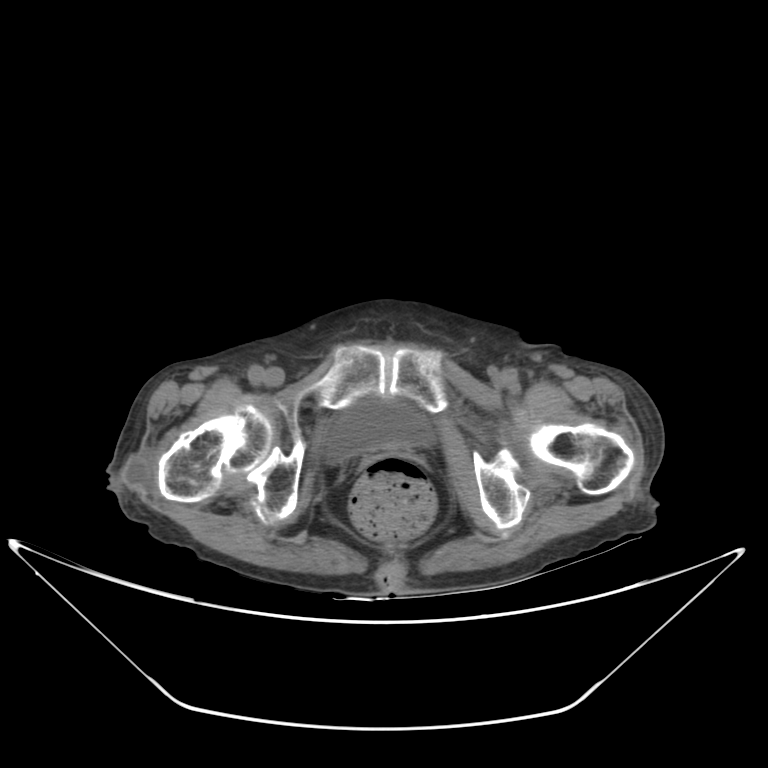

CT abdomen; axial view; 768x768 px; female patient aged 90 or older; scan has 15 labeled organs (counted over the whole 3D scan, not this slice; an organ is boxed only where this slice passes through it)
Organ boxes in pixel coordinates; each row gives the top-left (x1, y1) and bottom-right (x2, y2) corners.
| organ | x1 | y1 | x2 | y2 |
|---|---|---|---|---|
| bladder | 322 | 398 | 433 | 462 |